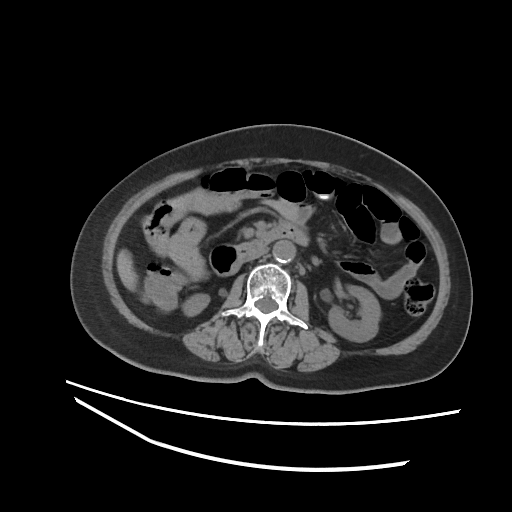

Computed tomography, abdomen. Axial slice 53/84. 512x512 px. 15 organs annotated in this scan (counted over the whole 3D scan, not this slice; an organ is boxed only where this slice passes through it)
Organ boxes in pixel coordinates; each row gives the top-left (x1, y1) and bottom-right (x2, y2) corners.
| organ | x1 | y1 | x2 | y2 |
|---|---|---|---|---|
| inferior vena cava | 244 | 249 | 266 | 261 |
| liver | 116 | 249 | 137 | 290 |
| right kidney | 182 | 293 | 209 | 316 |
| aorta | 272 | 240 | 295 | 262 |
| left kidney | 328 | 285 | 380 | 341 |
| duodenum | 209 | 225 | 308 | 275 |